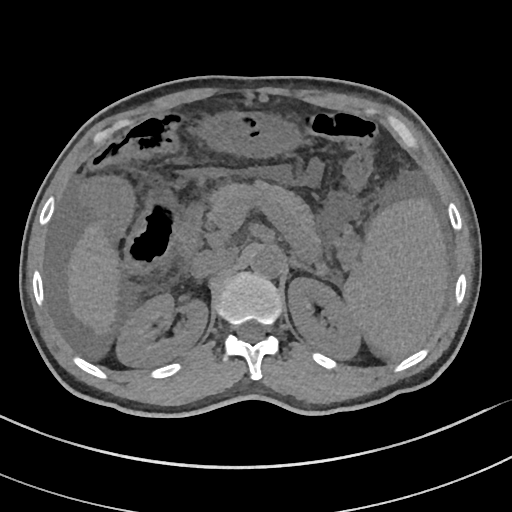 CT abdomen; Axial slice 147/206
Bounding boxes as [x1, y1, x2, y2] in pixel coordinates. 10 labeled organs on this slice — spleen at [342, 198, 447, 359]; right kidney at [116, 293, 208, 366]; left kidney at [288, 277, 361, 359]; liver at [68, 223, 120, 334]; stomach at [194, 111, 300, 157]; aorta at [250, 246, 283, 277]; inferior vena cava at [191, 249, 235, 278]; pancreas at [198, 182, 321, 253]; left adrenal gland at [291, 256, 313, 273]; duodenum at [174, 203, 204, 256].